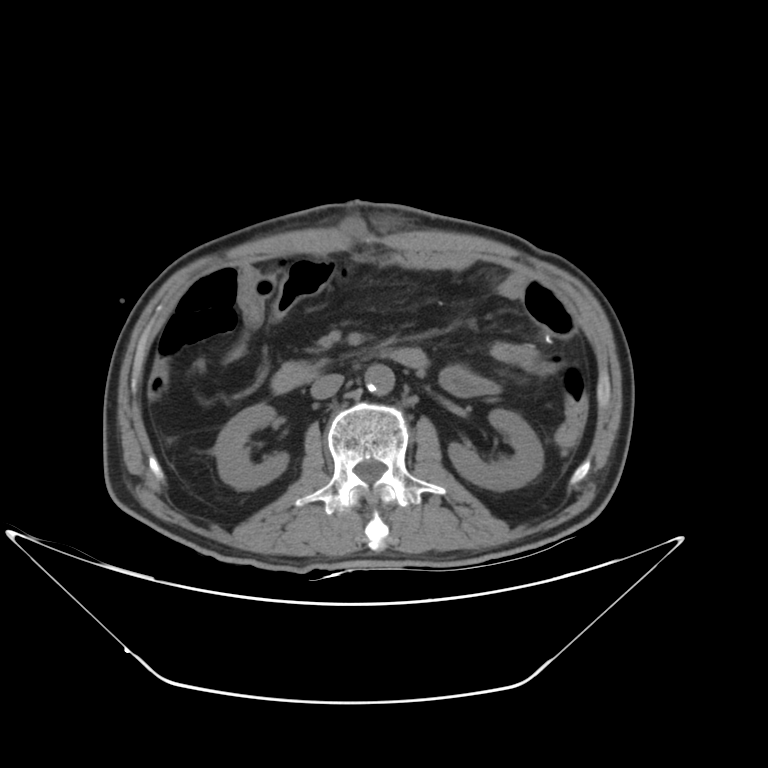 Abdominal CT · axial view · W/L 400/40 HU · 65-year-old male patient
Bounding boxes as [x1, y1, x2, y2] in pixel coordinates. Labeled organs on this slice: right kidney at [214, 403, 288, 490], left kidney at [448, 408, 543, 491], aorta at [365, 364, 394, 394], inferior vena cava at [310, 374, 344, 398], duodenum at [271, 347, 428, 393].